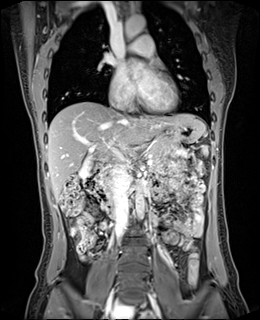

MRI, abdomen; coronal view; percentile-normalized; 260x320 px; scan has 13 labeled organs (counted over the whole 3D scan, not this slice; an organ is boxed only where this slice passes through it)
{"organs":{"spleen":[202,145,207,153],"gall bladder":[79,157,94,177],"liver":[47,101,204,198],"stomach":[167,119,203,143],"aorta":[[123,15,144,40],[135,187,144,219],[129,64,145,71]],"inferior vena cava":[111,167,129,239],"pancreas":[147,141,165,162],"duodenum":[94,165,113,196]}}